Abdominal MRI · axial view
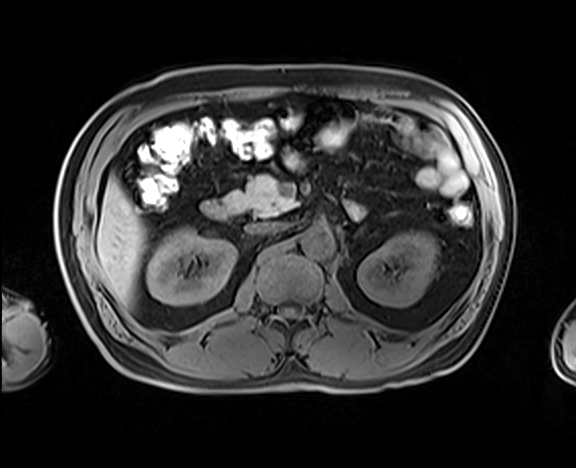 Bounding boxes in pixels, one row per box: x1, y1 is the top-left corner and x2, y2 the bottom-right.
| organ | x1 | y1 | x2 | y2 |
|---|---|---|---|---|
| right kidney | 147 | 228 | 236 | 305 |
| left kidney | 357 | 232 | 437 | 307 |
| liver | 96 | 177 | 146 | 305 |
| aorta | 301 | 227 | 334 | 258 |
| inferior vena cava | 247 | 222 | 288 | 234 |
| pancreas | 225 | 175 | 295 | 216 |
| left adrenal gland | 353 | 222 | 367 | 237 |
| duodenum | 202 | 201 | 232 | 219 |